Computed tomography, abdomen; Axial slice 165/207; 512x512 px
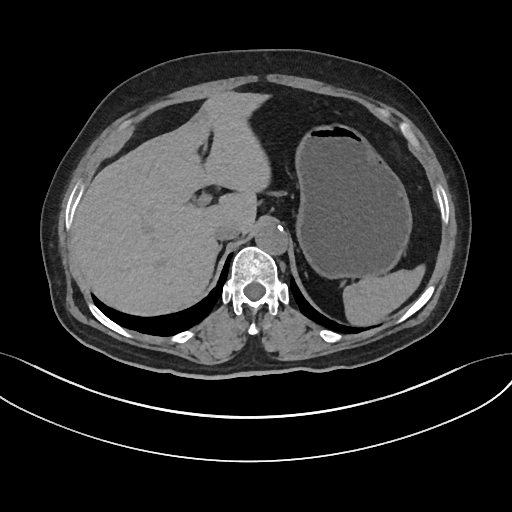

Boxes: x1 y1 x2 y2 (pixel coords, space-separated).
stomach: 294 125 411 277
liver: 71 90 269 316
inferior vena cava: 213 221 240 239
aorta: 255 222 287 253
spleen: 344 265 424 326
right adrenal gland: 219 244 221 250